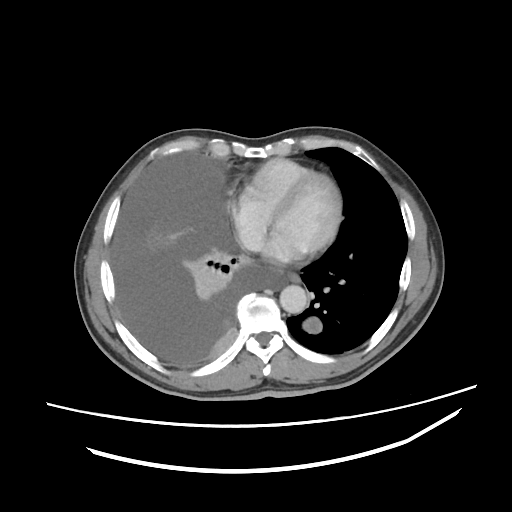

CT of the abdomen reaching into the lower chest, slice just above the liver and spleen; axial view; soft-tissue window, W/L 400/40; 512x512 px; Aquilion ONE scanner
No part of the heart or lungs is labeled in this dataset, so neither has a box here.
<organs><organ name="esophagus" x1="288" y1="273" x2="299" y2="281"/><organ name="aorta" x1="279" y1="285" x2="307" y2="313"/></organs>